Abdominal CT; this slice is in the lower chest, just above the liver — axial view — soft-tissue window (W 400 / L 40) — 512x512 px — scan has 15 labeled organs (counted over the whole 3D scan, not this slice; an organ is boxed only where this slice passes through it)
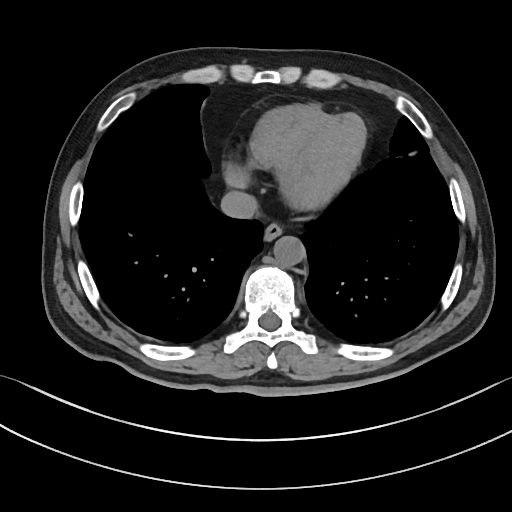 The heart and lungs are never labeled in this dataset, so they have no box on this slice.
<organs><organ name="inferior vena cava" x1="220" y1="190" x2="257" y2="218"/><organ name="esophagus" x1="264" y1="223" x2="282" y2="241"/><organ name="aorta" x1="273" y1="236" x2="305" y2="266"/></organs>